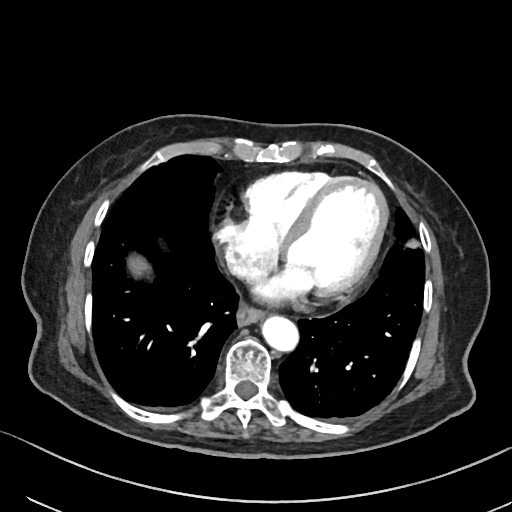

CT abdomen; Axial slice 215/297; acquired on SOMATOM Force
Boxes are (x1, y1, x2, y2) in pixels.
Organ bounding boxes:
- esophagus: (236, 306, 264, 325)
- liver: (130, 257, 148, 274)
- aorta: (261, 314, 298, 351)
- inferior vena cava: (225, 244, 260, 279)